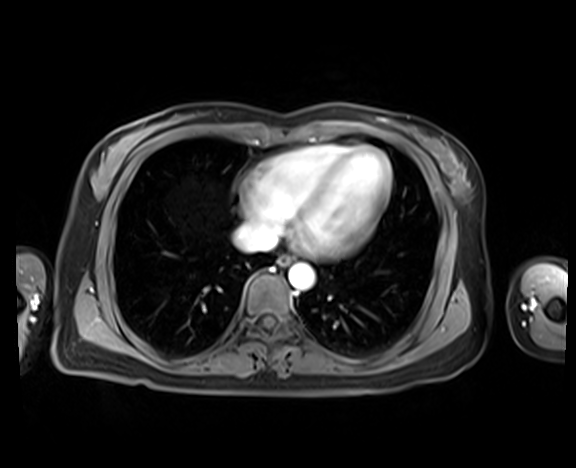

Lower-chest slice from an abdominal MRI, just above the liver and spleen; axial view; 576x468 px; acquired on Prisma
The heart and lungs are never labeled in this dataset, so they have no box on this slice.
<organs><organ name="aorta" x1="288" y1="263" x2="314" y2="290"/><organ name="inferior vena cava" x1="233" y1="223" x2="277" y2="252"/><organ name="esophagus" x1="278" y1="255" x2="292" y2="265"/></organs>